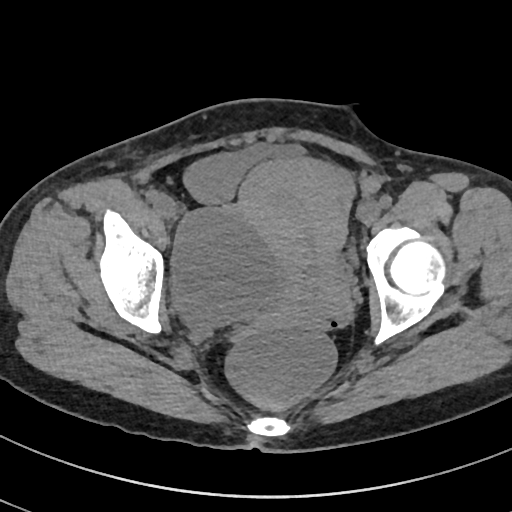
Computed tomography, abdomen. Axial slice 35/218. SOMATOM Force scanner
Bounding boxes as [x1, y1, x2, y2] in pixel coordinates. Labeled organs on this slice: bladder at [186, 142, 357, 265], prostate/uterus at [231, 158, 351, 341].